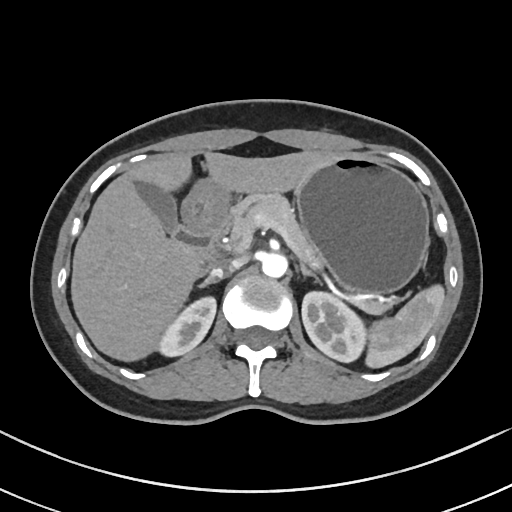

Abdominal CT; axial view
Boxes: x1 y1 x2 y2 (pixel coords, space-separated). Labeled organs on this slice: spleen at 366 286 445 368, right kidney at 160 298 216 354, left kidney at 302 293 365 362, gall bladder at 136 182 179 233, liver at 70 150 341 363, stomach at 183 155 429 296, aorta at 261 253 287 278, inferior vena cava at 209 257 245 277, pancreas at 234 193 313 259, right adrenal gland at 197 276 221 286, left adrenal gland at 300 264 320 284, duodenum at 174 210 233 276.